CT, abdomen/pelvis; axial view; 768x768 px
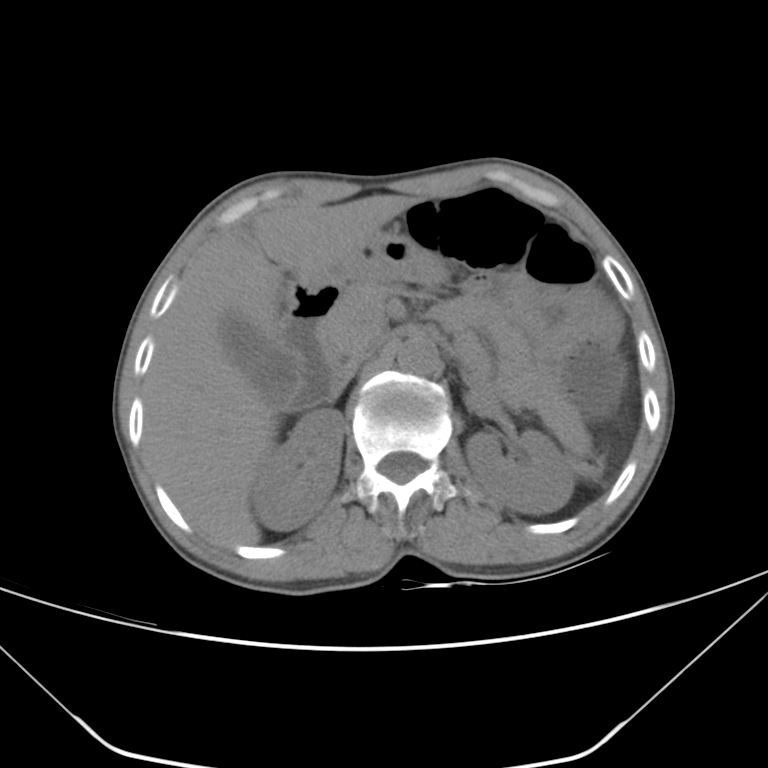

{"organs":{"right kidney":[250,407,343,531],"left kidney":[464,429,574,514],"gall bladder":[221,315,293,406],"liver":[143,195,415,546],"stomach":[332,231,445,287],"aorta":[396,335,440,375],"inferior vena cava":[337,355,364,393],"pancreas":[320,280,398,365],"duodenum":[248,280,341,410]}}